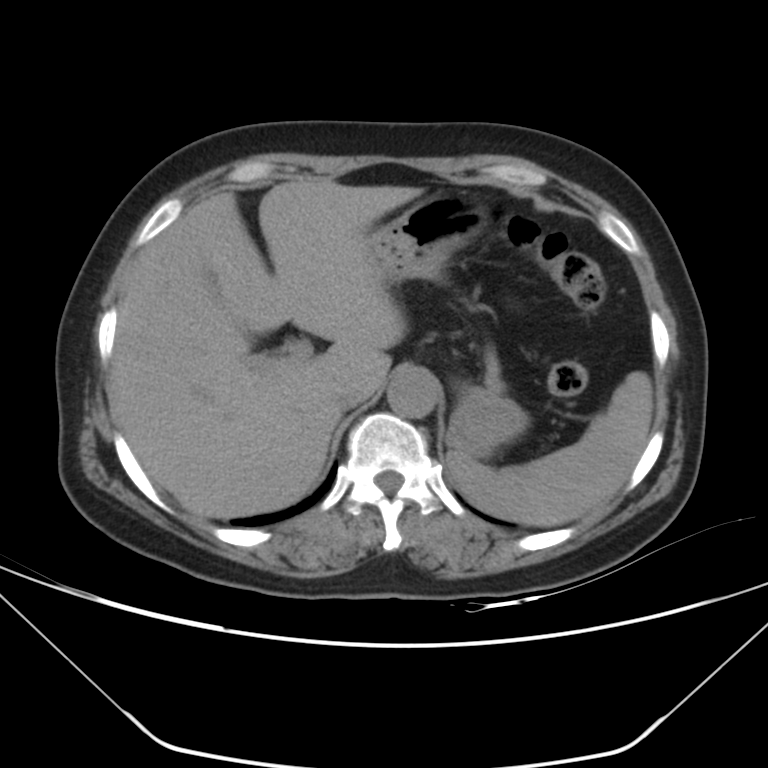
CT, abdomen/pelvis · axial plane, index 69
<organs><organ name="aorta" x1="386" y1="370" x2="438" y2="418"/><organ name="stomach" x1="365" y1="193" x2="527" y2="459"/><organ name="spleen" x1="447" y1="372" x2="652" y2="527"/><organ name="liver" x1="109" y1="179" x2="422" y2="519"/><organ name="inferior vena cava" x1="331" y1="380" x2="366" y2="410"/></organs>